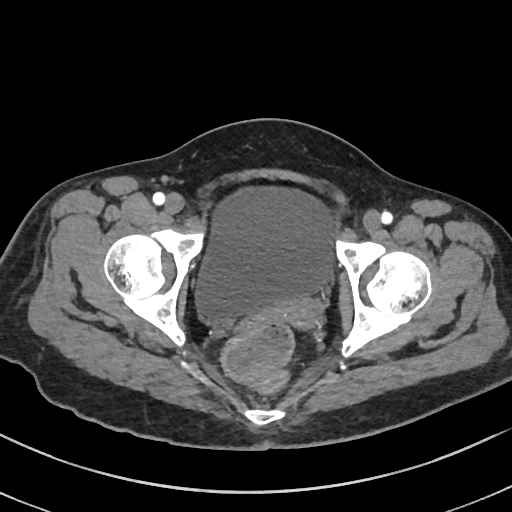
Computed tomography, abdomen. axial view. abdomen soft-tissue window
Boxes: x1:y1:x2:y2 in pixels.
Organ bounding boxes:
- bladder: 194:186:333:317
- prostate/uterus: 275:297:323:328